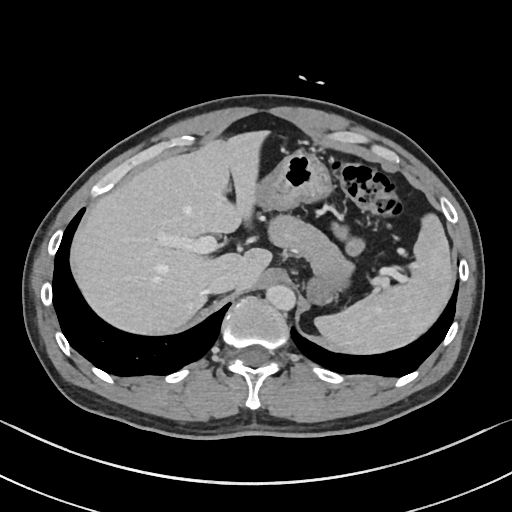
Computed tomography, abdomen. axial view. 512x512 px
Boxes are (x1, y1, x2, y2) in pixels. The annotated organs in this slice are: spleen at (314, 214, 453, 353), liver at (70, 131, 271, 334), stomach at (256, 151, 347, 303), aorta at (266, 284, 295, 311), inferior vena cava at (208, 274, 238, 293), pancreas at (269, 215, 353, 274).